Computed tomography, abdomen. axial plane, index 159. abdomen soft-tissue window
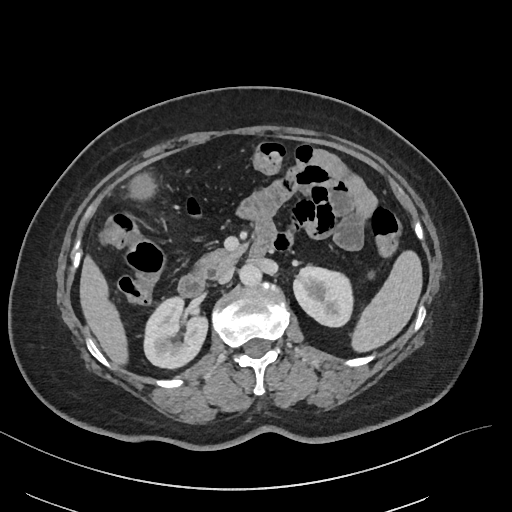

{"organs":{"spleen":[351,251,423,352],"right kidney":[145,296,208,369],"left kidney":[294,267,352,326],"gall bladder":[128,172,153,199],"liver":[78,257,127,367],"aorta":[240,265,262,288],"inferior vena cava":[215,267,234,284],"pancreas":[196,248,244,275],"duodenum":[177,233,270,297]}}